Computed tomography, abdomen — axial plane, index 75 — scan has 15 labeled organs (counted over the whole 3D scan, not this slice; an organ is boxed only where this slice passes through it)
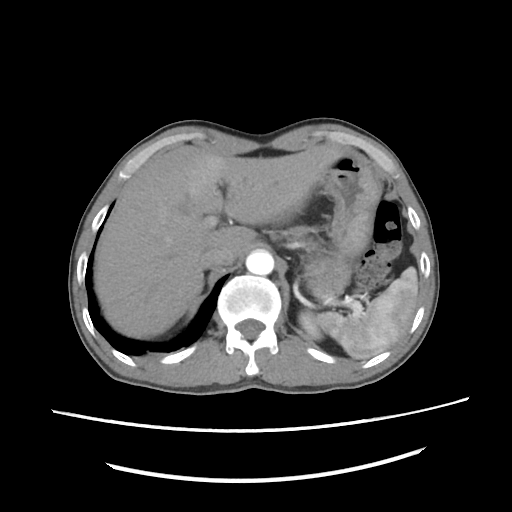 One row per box, in pixels: columns x1 and y1 give the top-left corner, x2 and y2 the bottom-right.
| organ | x1 | y1 | x2 | y2 |
|---|---|---|---|---|
| spleen | 316 | 265 | 419 | 358 |
| left kidney | 299 | 309 | 321 | 339 |
| liver | 94 | 144 | 366 | 337 |
| stomach | 306 | 150 | 382 | 278 |
| aorta | 245 | 250 | 275 | 276 |
| inferior vena cava | 199 | 244 | 234 | 268 |
| pancreas | 282 | 225 | 360 | 296 |